CT, abdomen/pelvis — axial view — 44-year-old male patient — Aquilion ONE scanner
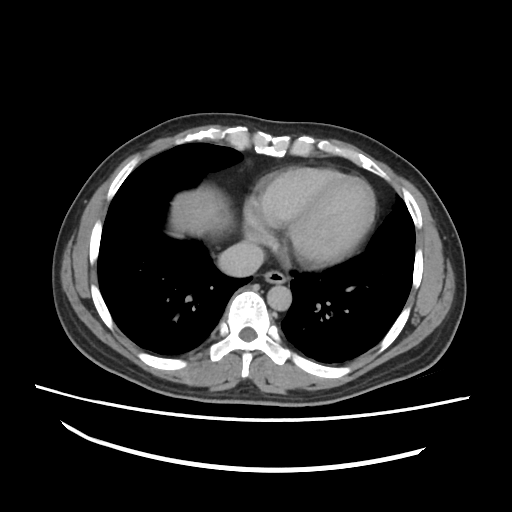 {"organs":{"liver":[170,188,254,270],"esophagus":[264,269,288,283],"aorta":[268,284,292,310],"inferior vena cava":[216,242,263,276]}}